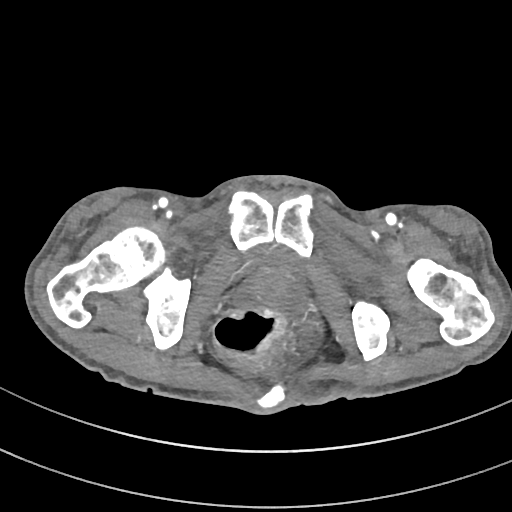
CT abdomen. axial view
One row per box, in pixels: columns x1 and y1 give the top-left corner, x2 and y2 the bottom-right.
| organ | x1 | y1 | x2 | y2 |
|---|---|---|---|---|
| bladder | 256 | 249 | 294 | 272 |
| prostate/uterus | 234 | 267 | 307 | 313 |